Abdominal CT; this slice is in the lower chest, just above the liver — Axial slice 230/235 — soft-tissue window (W 400 / L 40)
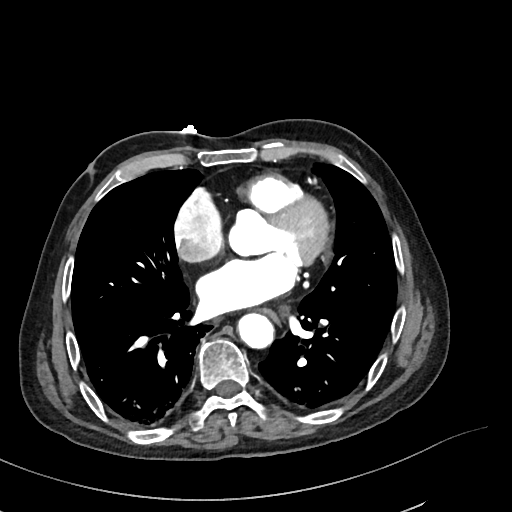

No part of the heart or lungs is labeled in this dataset, so neither has a box here.
<organs><organ name="esophagus" x1="262" y1="309" x2="279" y2="325"/><organ name="aorta" x1="237" y1="312" x2="273" y2="347"/></organs>